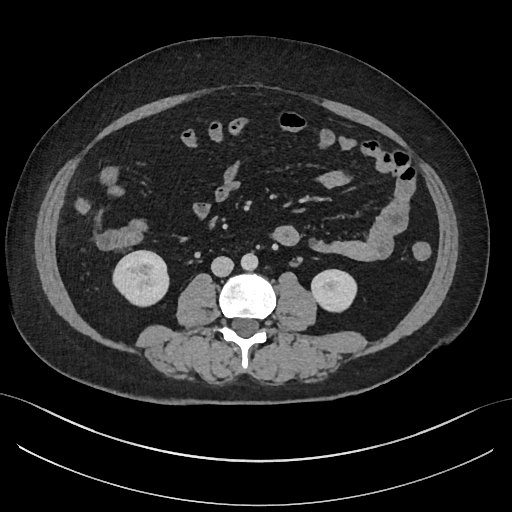

CT, abdomen/pelvis — axial view
{"organs":{"right kidney":[113,250,168,306],"left kidney":[311,270,356,311],"aorta":[240,253,258,270],"inferior vena cava":[211,256,233,276]}}